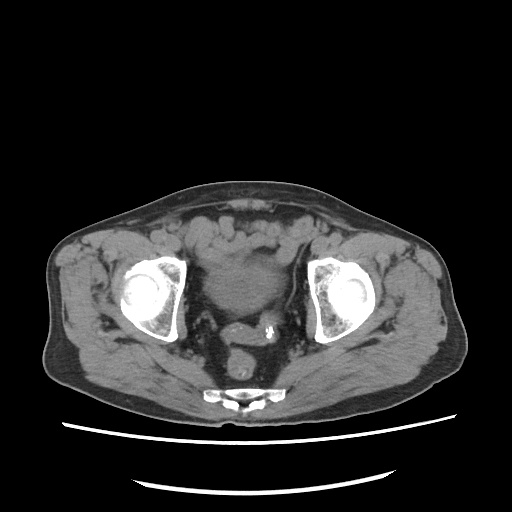

CT abdomen · Axial slice 19/78 · W/L 400/40 HU · 512x512 px · 68-year-old male patient · scan has 15 labeled organs (that count is for the whole scan; organs this slice misses have no box)
Bounding boxes as [x1, y1, x2, y2] in pixel coordinates. Labeled organs on this slice: bladder at [207, 265, 280, 310].